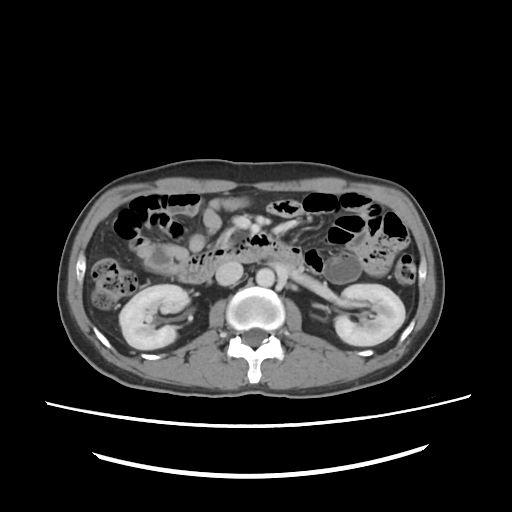 CT, abdomen/pelvis · axial view · soft-tissue window · 512x512 px · acquired on Aquilion ONE
Bounding boxes as [x1, y1, x2, y2] in pixel coordinates.
Organ bounding boxes:
- left kidney: [334, 284, 404, 345]
- duodenum: [177, 232, 303, 284]
- aorta: [255, 269, 275, 287]
- right kidney: [119, 284, 189, 350]
- inferior vena cava: [217, 263, 242, 285]